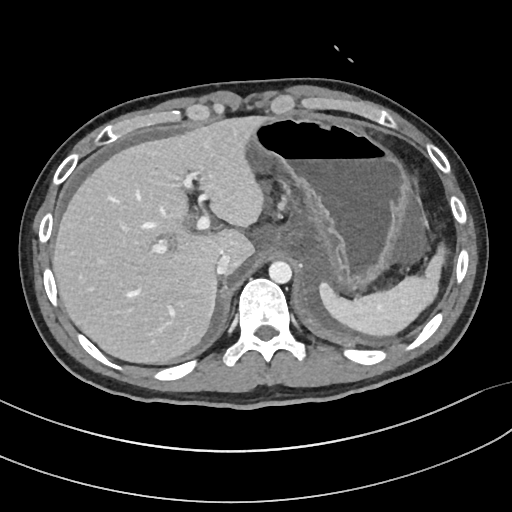

Abdominal CT; axial view
Coordinates as <box>x1,y1,x2,y2</box> in pixels. The annotated organs in this slice are: stomach at <box>248,116,412,290</box>, aorta at <box>269,261,291,283</box>, liver at <box>52,116,263,363</box>, spleen at <box>319,244,446,336</box>, inferior vena cava at <box>216,253,228,274</box>.